Abdominal CT reaching into the chest; this slice is in the chest. axial view. 768x768 px. 34-year-old female patient
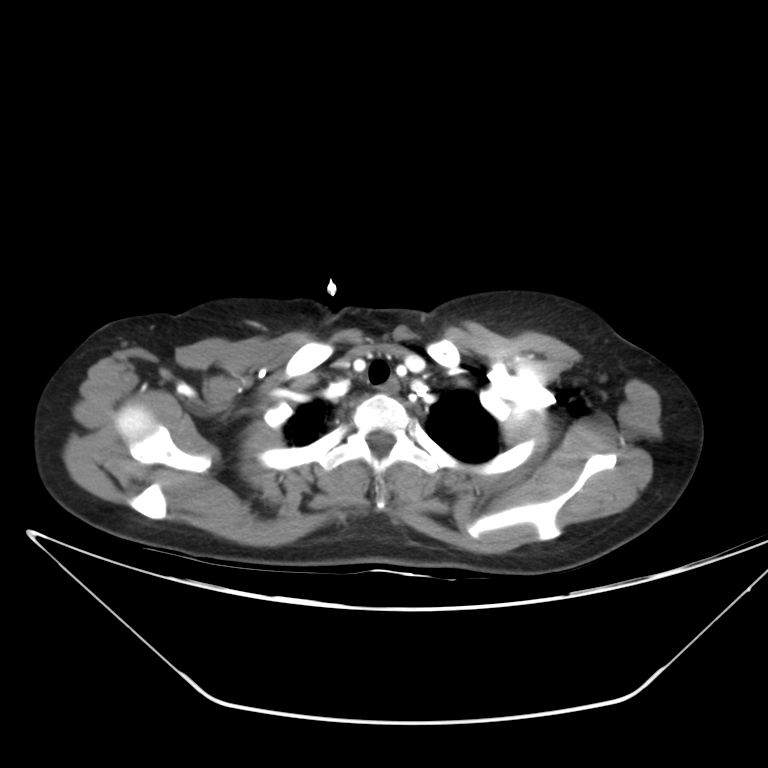 At this level of the chest no structure but the esophagus and the aorta has a label in this dataset, and those two are boxed only where they are labeled.
Coordinates as <box>x1,y1,x2,y2</box> in pixels.
Organ bounding boxes:
- esophagus: <box>383,378,397,395</box>